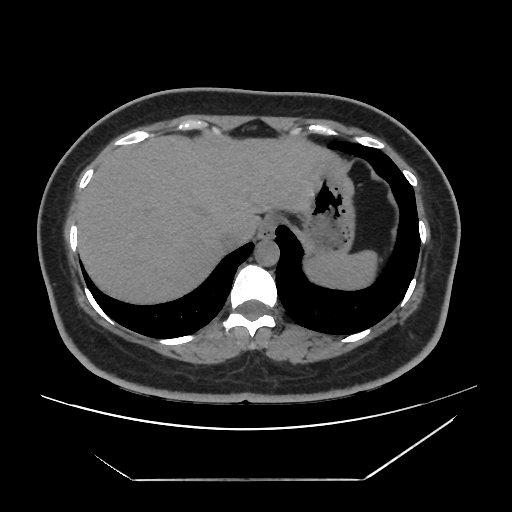
Computed tomography, abdomen — axial view — 512x512 px — scan has 15 labeled organs (that count is for the whole scan; organs this slice misses have no box)
<organs><organ name="liver" x1="78" y1="135" x2="345" y2="303"/><organ name="inferior vena cava" x1="221" y1="223" x2="256" y2="248"/><organ name="spleen" x1="305" y1="250" x2="377" y2="289"/><organ name="stomach" x1="298" y1="166" x2="355" y2="256"/><organ name="esophagus" x1="258" y1="215" x2="277" y2="239"/><organ name="aorta" x1="254" y1="240" x2="279" y2="265"/></organs>